Abdominal CT · Axial slice 61/82 · 768x768 px · 30-year-old male patient
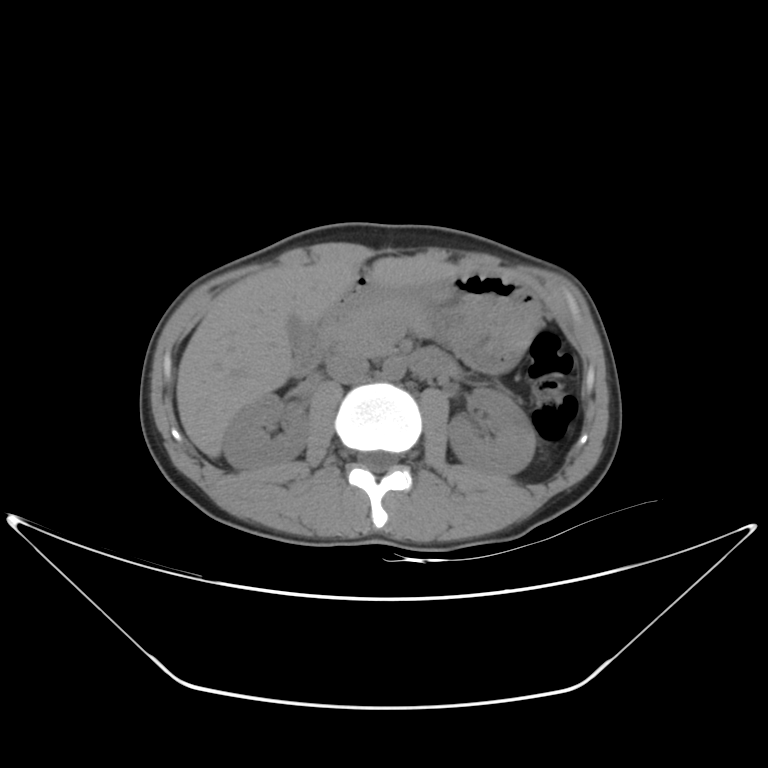

<organs><organ name="inferior vena cava" x1="326" y1="353" x2="369" y2="383"/><organ name="duodenum" x1="291" y1="296" x2="443" y2="377"/><organ name="left kidney" x1="447" y1="387" x2="535" y2="476"/><organ name="aorta" x1="383" y1="359" x2="406" y2="380"/><organ name="right kidney" x1="222" y1="394" x2="310" y2="470"/><organ name="gall bladder" x1="286" y1="316" x2="304" y2="344"/><organ name="stomach" x1="347" y1="271" x2="541" y2="373"/><organ name="pancreas" x1="325" y1="299" x2="431" y2="353"/><organ name="liver" x1="176" y1="256" x2="459" y2="458"/></organs>